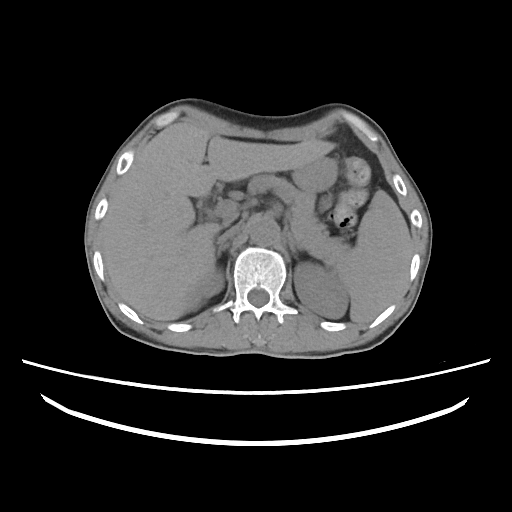 CT abdomen. axial view. Aquilion ONE scanner. scan has 15 labeled organs (counted over the whole 3D scan, not this slice; an organ is boxed only where this slice passes through it)
Boxes: x1:y1:x2:y2 in pixels.
Organ bounding boxes:
- spleen: 335:189:413:322
- right kidney: 184:270:222:309
- left kidney: 295:262:348:318
- liver: 100:121:336:322
- stomach: 293:156:335:192
- aorta: 249:218:280:245
- inferior vena cava: 216:225:241:243
- pancreas: 251:175:350:258
- right adrenal gland: 217:241:229:256
- left adrenal gland: 287:231:308:258